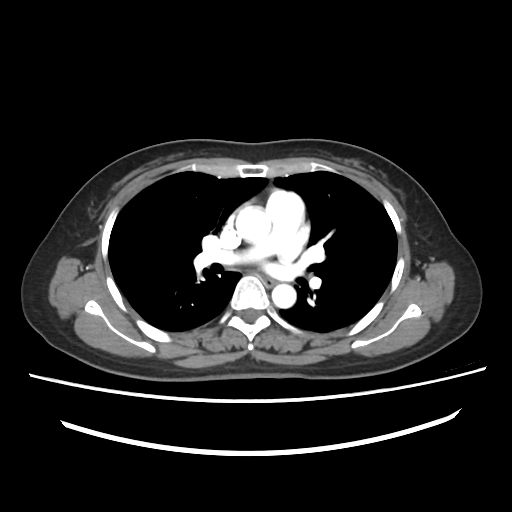 Chest-level CT slice, above the liver and spleen; axial view; soft-tissue window (W 400 / L 40); 45-year-old female patient
On a slice this high in the chest, this dataset labels only the esophagus and the aorta, and each is boxed only where it is labeled; the heart, lungs and other chest structures are not labeled.
Boxes are (x1, y1, x2, y2) in pixels.
Organ bounding boxes:
- esophagus: (262, 276, 278, 287)
- aorta: (235, 206, 271, 243)
- aorta: (272, 284, 296, 308)